CT abdomen. axial view. soft-tissue window (W 400 / L 40). acquired on Brilliance16
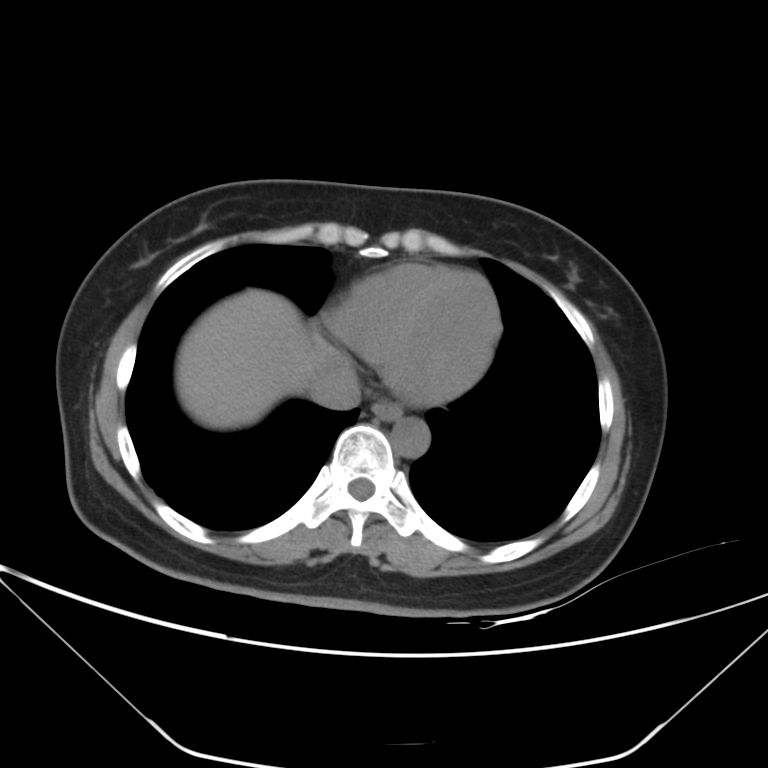
{"organs":{"esophagus":[371,398,402,421],"liver":[176,290,342,429],"aorta":[390,417,430,457],"inferior vena cava":[308,359,361,410]}}